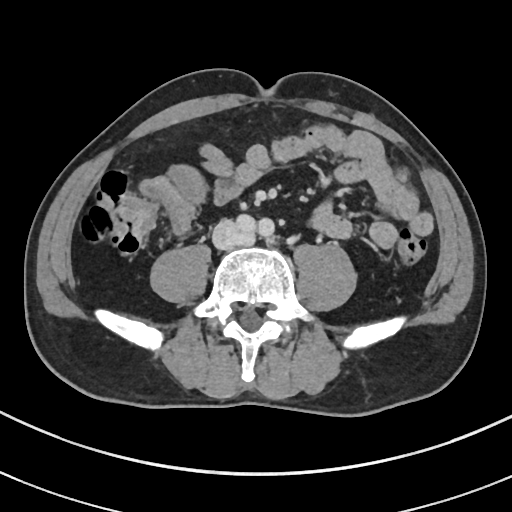
CT abdomen; Axial slice 89/298; 512x512 px; 15 organs annotated in this scan (a whole-scan count: organs this slice does not pass through have no box)
{"organs":{"inferior vena cava":[212,219,253,249]}}